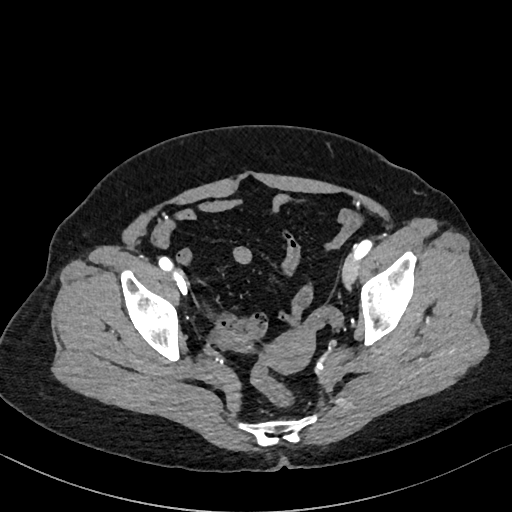 Computed tomography, abdomen · Axial slice 46/222 · 15 organs annotated in this scan (counted over the whole 3D scan, not this slice; an organ is boxed only where this slice passes through it)
Boxes are (x1, y1, x2, y2) in pixels.
Organ bounding boxes:
- prostate/uterus: (266, 330, 314, 372)